CT abdomen. axial view. W/L 400/40 HU. 512x512 px. 34-year-old female patient. acquired on Aquilion ONE. 15 organs annotated in this scan (a whole-scan count: organs this slice does not pass through have no box)
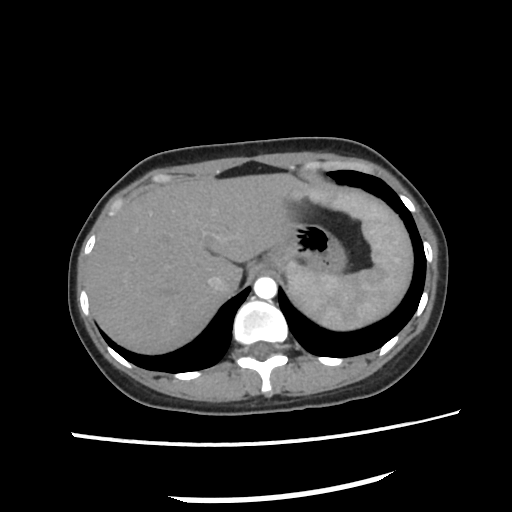

Boxes: x1 y1 x2 y2 (pixel coords, space-separated).
spleen: 288 184 412 330
liver: 85 173 334 353
stomach: 257 222 347 272
aorta: 254 278 276 298
inferior vena cava: 207 276 227 291